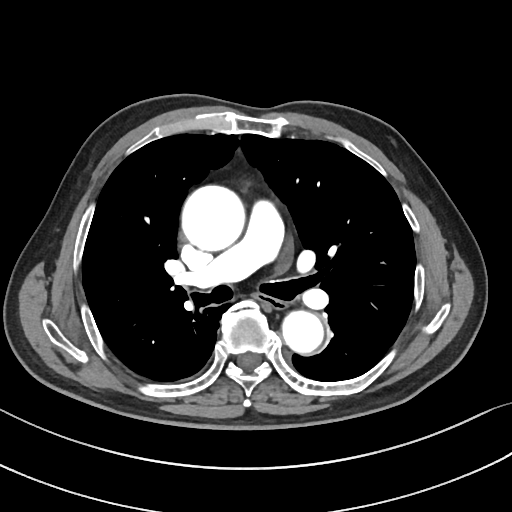

CT of the abdomen extending into the chest, slice through the chest · axial view · soft-tissue window · 512x512 px · 15 organs annotated in this scan (a whole-scan count: organs this slice does not pass through have no box)
At this level of the chest this dataset labels only the esophagus and the aorta, and each is boxed only where it is labeled; the heart and lungs are never labeled.
<organs><organ name="esophagus" x1="258" y1="295" x2="285" y2="308"/><organ name="aorta" x1="182" y1="185" x2="245" y2="250"/><organ name="aorta" x1="281" y1="309" x2="322" y2="352"/></organs>